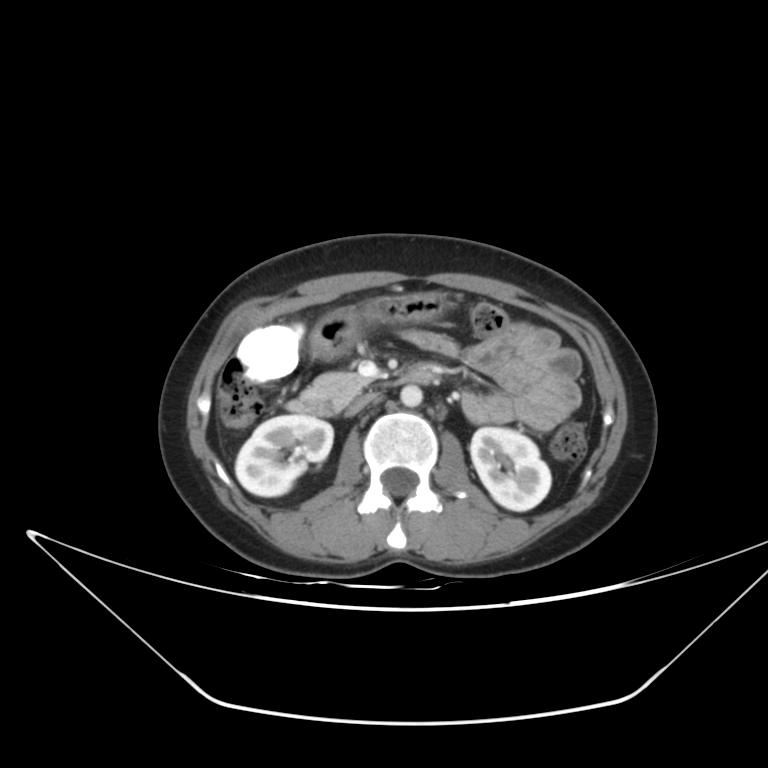

CT abdomen · axial view · W/L 400/40 HU
One row per box, in pixels: columns x1 and y1 give the top-left corner, x2 and y2 the bottom-right.
| organ | x1 | y1 | x2 | y2 |
|---|---|---|---|---|
| right kidney | 235 | 415 | 333 | 496 |
| left kidney | 470 | 427 | 551 | 510 |
| liver | 236 | 323 | 304 | 382 |
| stomach | 310 | 291 | 452 | 359 |
| aorta | 400 | 385 | 422 | 407 |
| inferior vena cava | 348 | 393 | 376 | 414 |
| pancreas | 303 | 372 | 370 | 409 |
| duodenum | 286 | 367 | 432 | 416 |